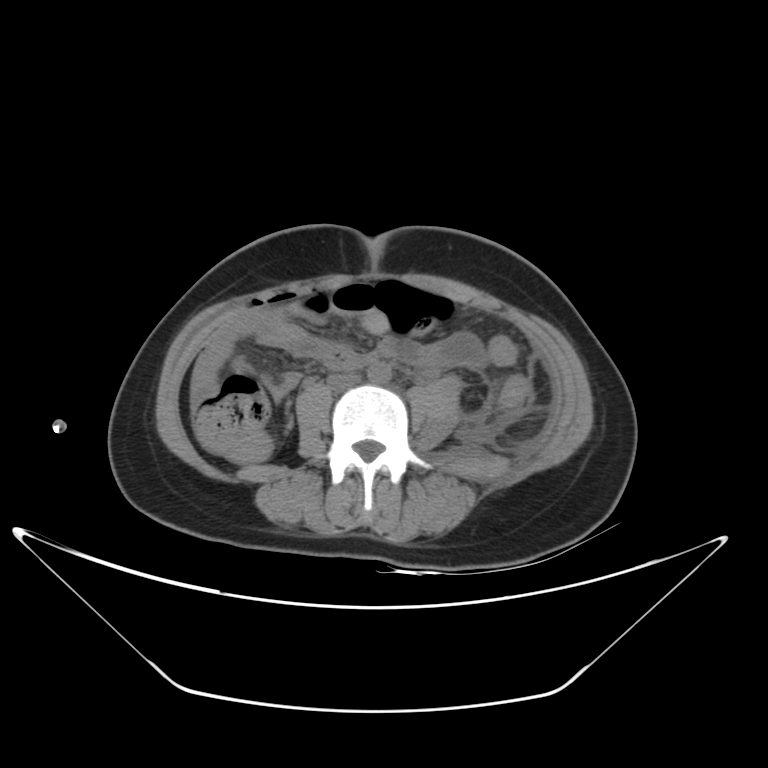 CT abdomen — axial view — soft-tissue window (W 400 / L 40) — acquired on Brilliance16
Coordinates as <box>x1,y1,x2,y2</box> in pixels. 2 labeled organs on this slice — aorta at <box>367,362,390,384</box>; inferior vena cava at <box>327,373,361,390</box>.